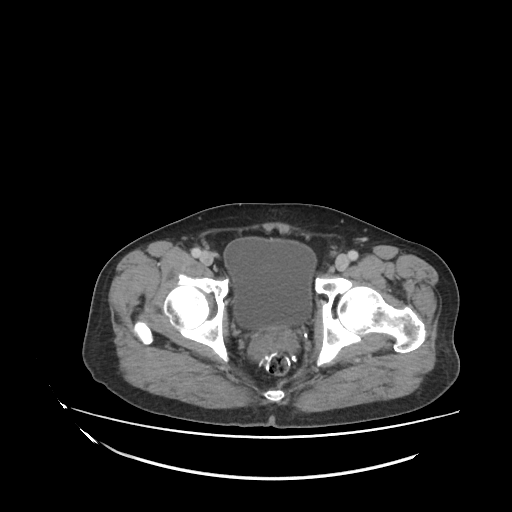 CT abdomen · axial plane, index 9 · soft-tissue window
Boxes: x1 y1 x2 y2 (pixel coords, space-separated).
bladder: 223 238 316 330